Chest-level CT slice, above the liver and spleen — Axial slice 111/122
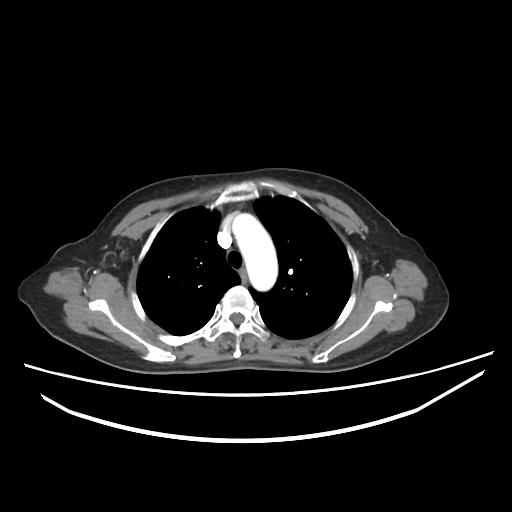
At this level of the chest this dataset labels only the esophagus and the aorta, and each is boxed only where it is labeled; the heart and lungs are never labeled.
<organs><organ name="aorta" x1="231" y1="213" x2="278" y2="291"/></organs>